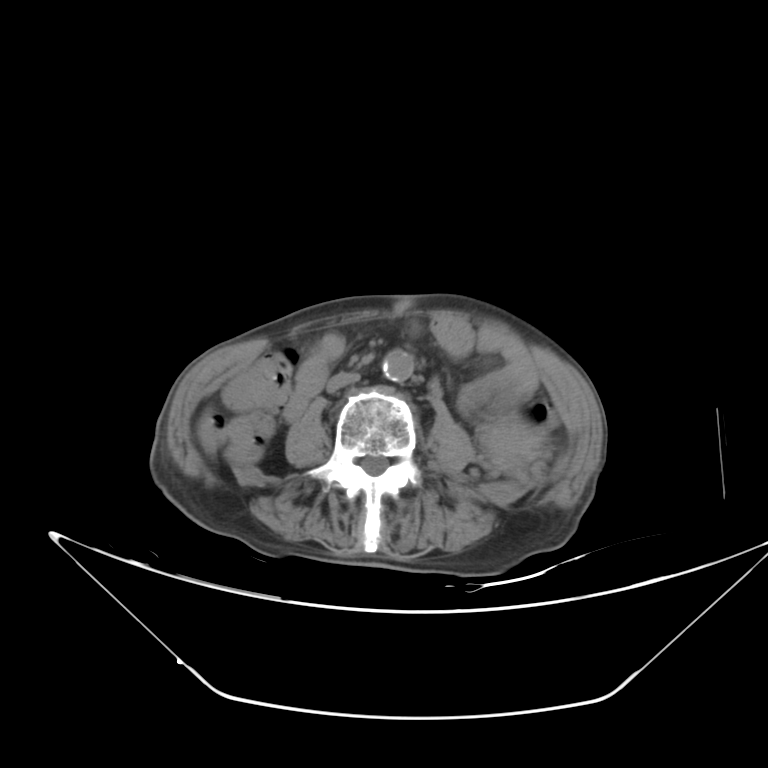
CT abdomen · axial view · 15 organs annotated in this scan (that count is for the whole scan; organs this slice misses have no box)
{"organs":{"aorta":[381,347,412,383],"left kidney":[475,417,546,467],"inferior vena cava":[325,372,359,392]}}